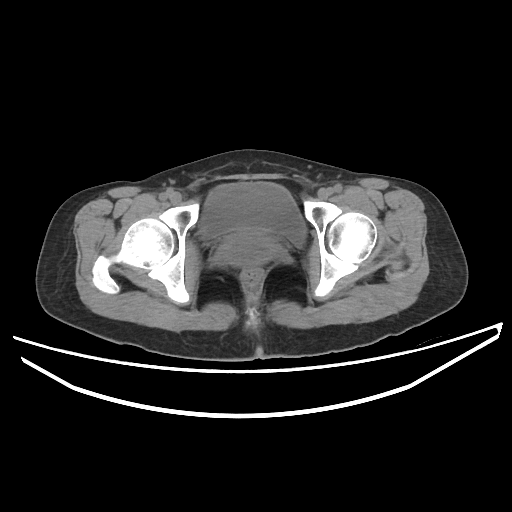 CT abdomen; Axial slice 9/81; soft-tissue window (W 400 / L 40)
Bounding boxes as [x1, y1, x2, y2] in pixel coordinates.
bladder: [200, 182, 306, 245]
prostate/uterus: [218, 233, 273, 265]